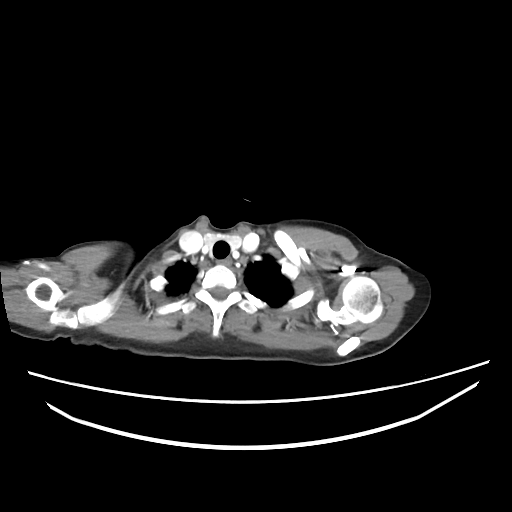

Chest-level CT slice, above the liver and spleen; Axial slice 112/114; 512x512 px; 43-year-old female patient; 15 organs annotated in this scan (counted over the whole 3D scan, not this slice; an organ is boxed only where this slice passes through it)
On a slice this high in the chest, this dataset labels only the esophagus and the aorta, and each is boxed only where it is labeled; the heart, lungs and other chest structures are not labeled.
Boxes: x1:y1:x2:y2 in pixels.
esophagus: 216:257:230:266